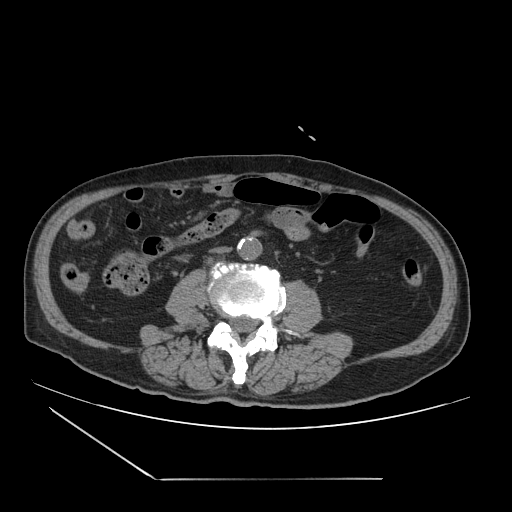
Abdominal CT · axial view · W/L 400/40 HU · 15 organs annotated in this scan (that count is for the whole scan; organs this slice misses have no box)
Coordinates as <box>x1,y1,x2,y2</box> in pixels. Labeled organs on this slice: aorta at <box>237,237,262,260</box>, inferior vena cava at <box>212,246,231,254</box>.